Abdominal CT — axial view — abdomen soft-tissue window
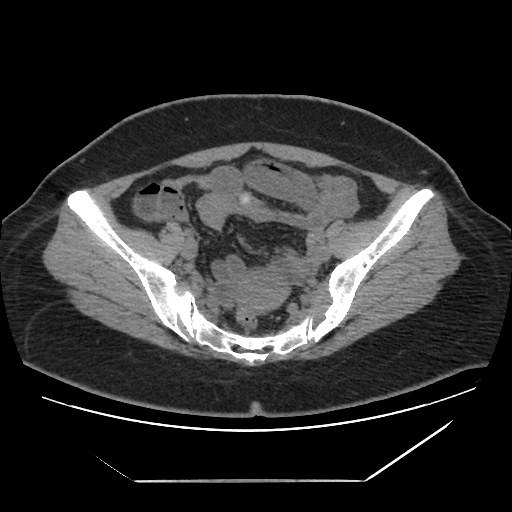 Boxes: x1:y1:x2:y2 in pixels. 1 labeled organ on this slice — prostate/uterus at 231:270:289:309.